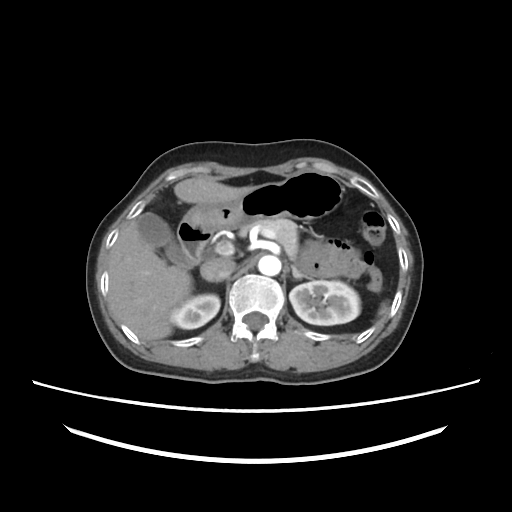
CT abdomen. axial view. 512x512 px. acquired on Aquilion ONE. 15 organs annotated in this scan (that count is for the whole scan; organs this slice misses have no box)
Boxes: x1 y1 x2 y2 (pixel coords, space-separated). Labeled organs on this slice: spleen at 381 307 385 312, right kidney at 170 293 220 329, left kidney at 289 280 360 325, gall bladder at 137 212 186 263, liver at 108 177 257 340, stomach at 182 171 343 231, aorta at 258 255 281 275, inferior vena cava at 200 257 235 281, pancreas at 238 217 297 259, left adrenal gland at 291 266 313 279, duodenum at 177 222 212 266.